Abdominal CT. axial view
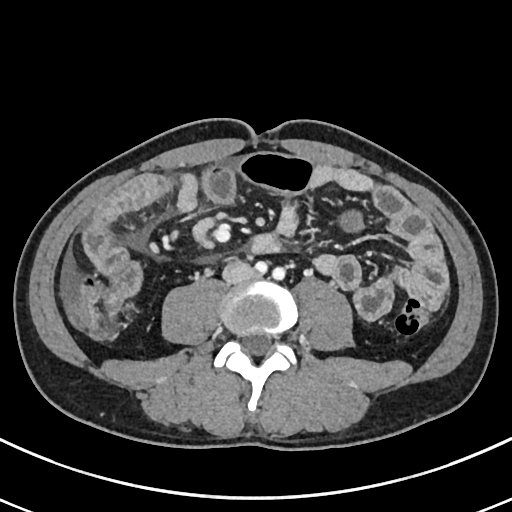
Boxes: x1:y1:x2:y2 in pixels.
inferior vena cava: 222:260:254:283